CT, abdomen/pelvis — axial view — 66-year-old female patient — 14 organs annotated in this scan (a whole-scan count: organs this slice does not pass through have no box)
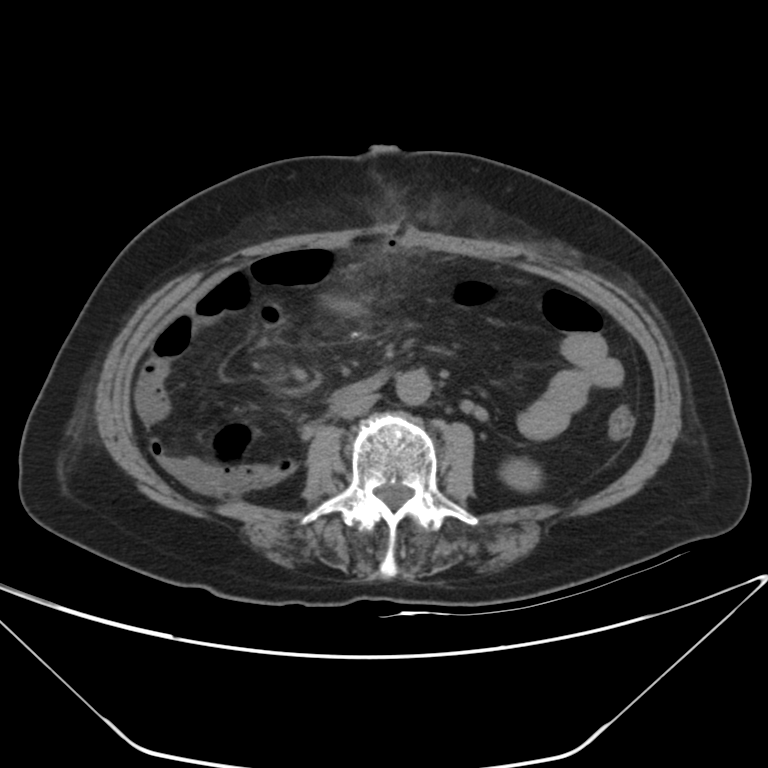 <organs><organ name="aorta" x1="396" y1="369" x2="431" y2="405"/><organ name="duodenum" x1="331" y1="370" x2="388" y2="400"/><organ name="left kidney" x1="500" y1="459" x2="541" y2="490"/><organ name="inferior vena cava" x1="336" y1="393" x2="377" y2="418"/></organs>